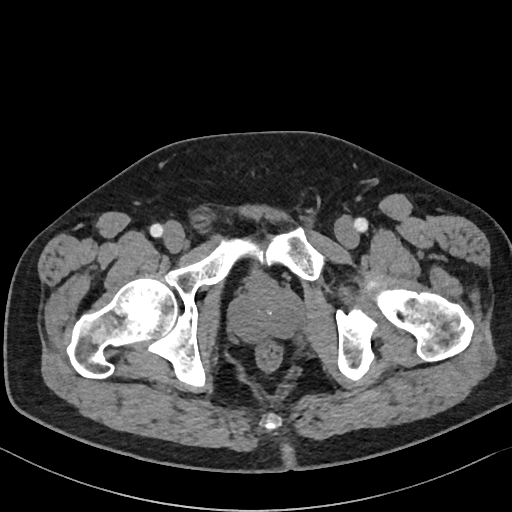 Computed tomography, abdomen. axial plane, index 18
Bounding boxes as [x1, y1, x2, y2] in pixel coordinates.
Organ bounding boxes:
- prostate/uterus: [230, 279, 304, 340]